CT, abdomen/pelvis; axial view; soft-tissue window (W 400 / L 40); 512x512 px
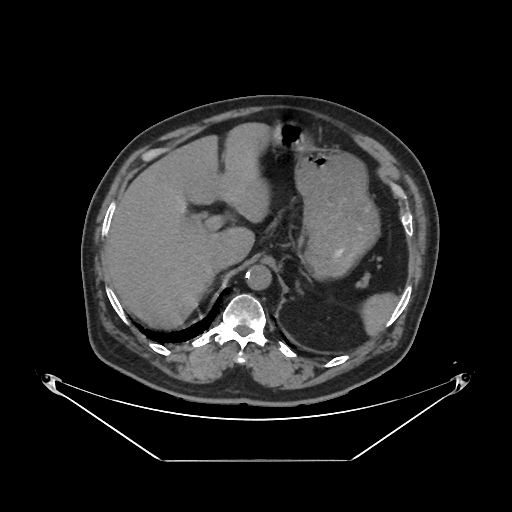 {"organs":{"spleen":[360,292,396,335],"liver":[106,123,269,328],"stomach":[272,121,379,277],"aorta":[245,265,271,290],"inferior vena cava":[210,250,235,271],"left adrenal gland":[296,281,303,294]}}